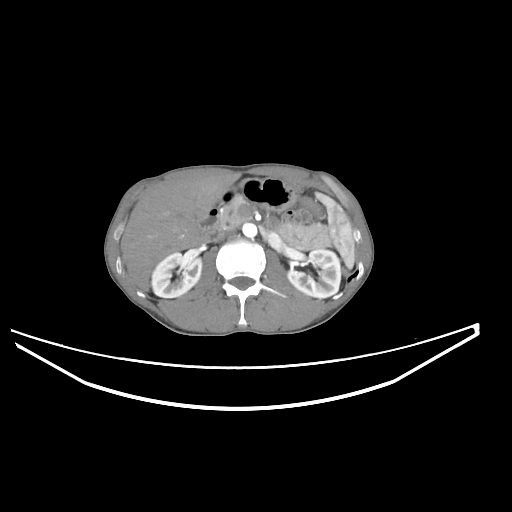
CT abdomen · axial plane, index 61
Each box given as x1,y1,x2,y2.
Organ bounding boxes:
- duodenum: x1=198, y1=203, x2=227, y2=241
- liver: x1=120, y1=176, x2=235, y2=290
- right kidney: x1=151, y1=252, x2=201, y2=297
- left kidney: x1=287, y1=249, x2=340, y2=298
- aorta: x1=242, y1=223, x2=257, y2=237
- inferior vena cava: x1=212, y1=229, x2=237, y2=241
- stomach: x1=220, y1=177, x2=298, y2=211
- pancreas: x1=219, y1=196, x2=331, y2=249
- spleen: x1=314, y1=192, x2=354, y2=268